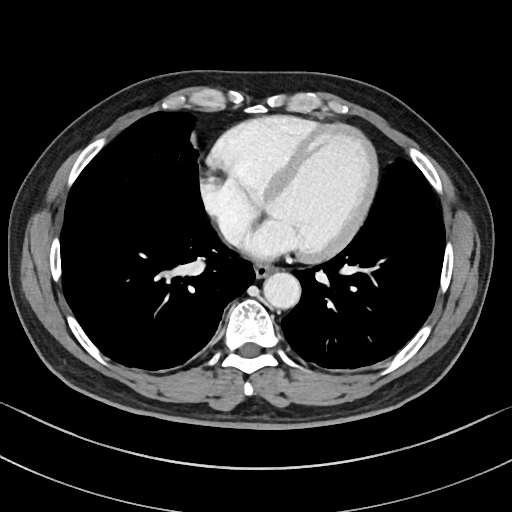
CT of the abdomen reaching into the lower chest, slice just above the liver and spleen; axial view; soft-tissue window (W 400 / L 40); 512x512 px
Of the structures in the chest, this dataset labels only the esophagus, the aorta and the inferior vena cava; the heart and lungs have no label.
Each box given as x1,y1,x2,y2.
Organ bounding boxes:
- esophagus: x1=254, y1=263, x2=275, y2=277
- aorta: x1=263, y1=272, x2=300, y2=308